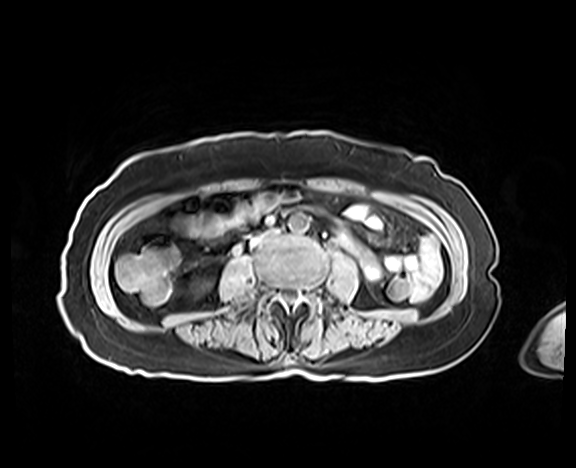 Abdominal MRI; axial view; percentile-normalized
Box edges are left/top/right/bottom in pixels. 2 labeled organs on this slice — aorta at left=288, top=213, right=308, bottom=232; inferior vena cava at left=253, top=229, right=277, bottom=244.